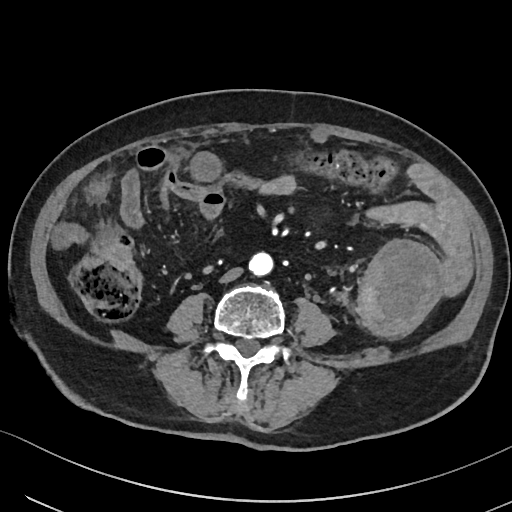
CT abdomen · axial view · 512x512 px
{"organs":{"aorta":[249,252,273,276],"inferior vena cava":[220,267,243,283]}}